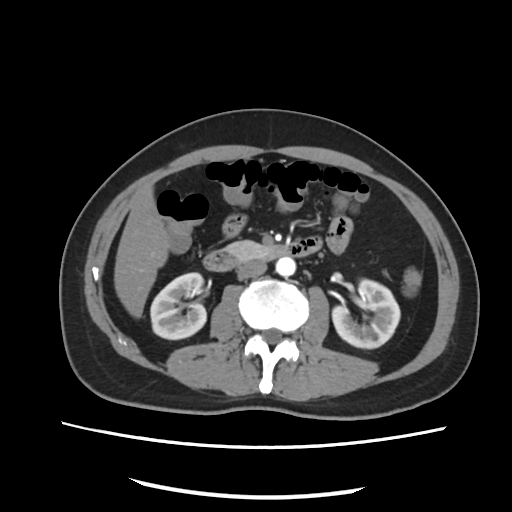 CT abdomen · axial view · 66-year-old male patient · Aquilion ONE scanner
<organs><organ name="right kidney" x1="151" y1="273" x2="206" y2="339"/><organ name="left kidney" x1="331" y1="278" x2="399" y2="348"/><organ name="liver" x1="113" y1="189" x2="169" y2="318"/><organ name="aorta" x1="276" y1="257" x2="294" y2="276"/><organ name="inferior vena cava" x1="237" y1="261" x2="267" y2="279"/><organ name="pancreas" x1="226" y1="239" x2="277" y2="260"/><organ name="duodenum" x1="204" y1="238" x2="323" y2="271"/></organs>